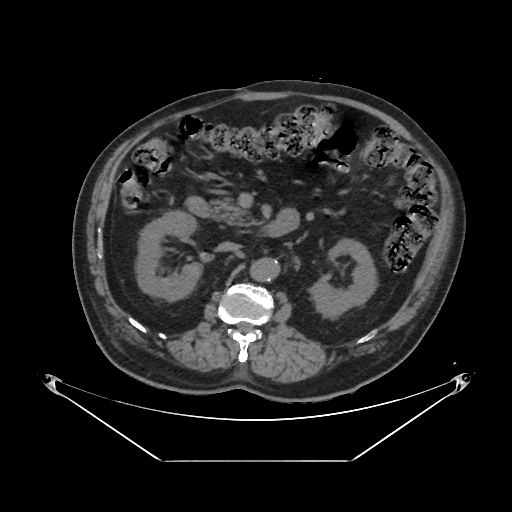
CT abdomen — axial view — abdomen soft-tissue window
{"organs":{"right kidney":[136,210,201,300],"left kidney":[311,238,376,316],"aorta":[251,257,279,280],"inferior vena cava":[218,241,240,251],"pancreas":[210,199,255,227],"duodenum":[186,197,290,237]}}